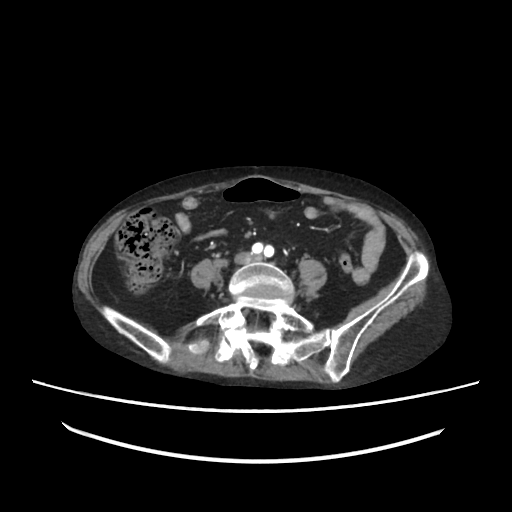

CT abdomen · axial view
Boxes are (x1, y1, x2, y2) in pixels.
inferior vena cava: (237, 252, 260, 263)